CT abdomen · axial view · soft-tissue window (W 400 / L 40)
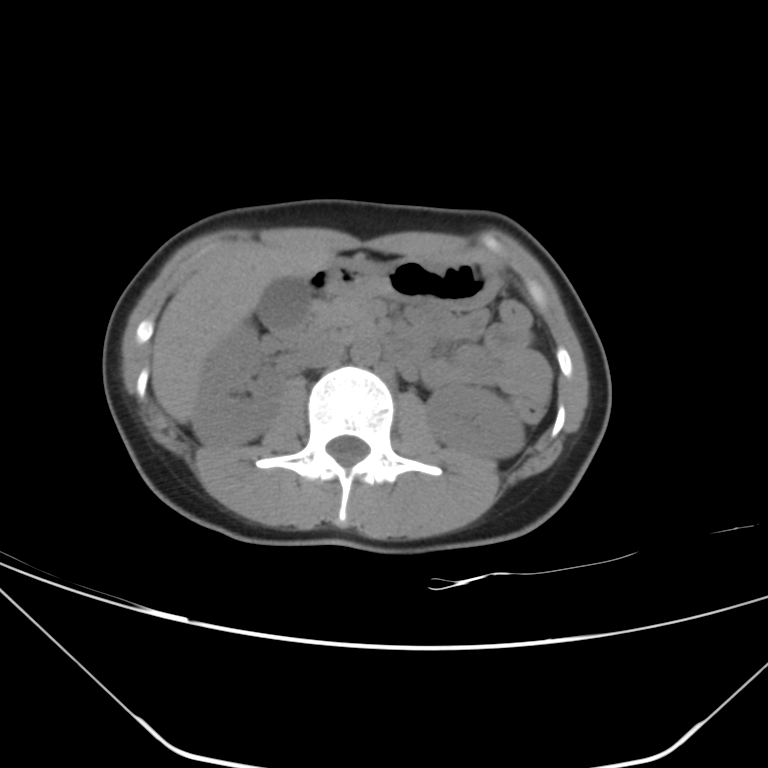 Boxes are (x1, y1, x2, y2) in pixels.
Organ bounding boxes:
- right kidney: (193, 324, 284, 446)
- left kidney: (426, 385, 524, 458)
- gall bladder: (259, 276, 310, 323)
- liver: (152, 242, 334, 422)
- stomach: (330, 255, 498, 308)
- aorta: (350, 337, 380, 365)
- inferior vena cava: (295, 335, 344, 367)
- pancreas: (321, 297, 358, 323)
- duodenum: (264, 266, 424, 370)